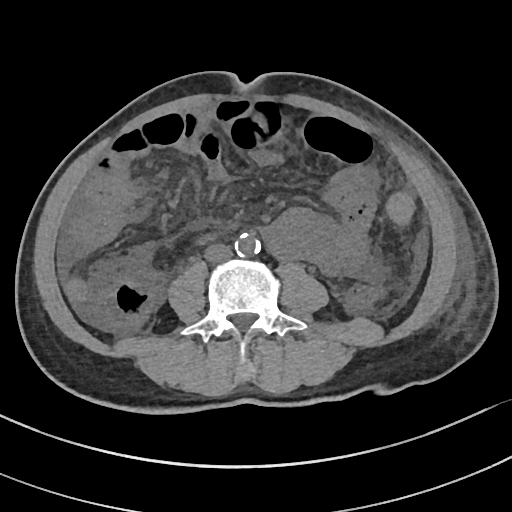
Abdominal CT; axial plane, index 95; 512x512 px
Organ boxes in pixel coordinates; each row gives the top-left (x1, y1) and bottom-right (x2, y2) corners.
| organ | x1 | y1 | x2 | y2 |
|---|---|---|---|---|
| spleen | 384 | 191 | 415 | 223 |
| inferior vena cava | 204 | 244 | 233 | 262 |
| aorta | 235 | 233 | 260 | 257 |